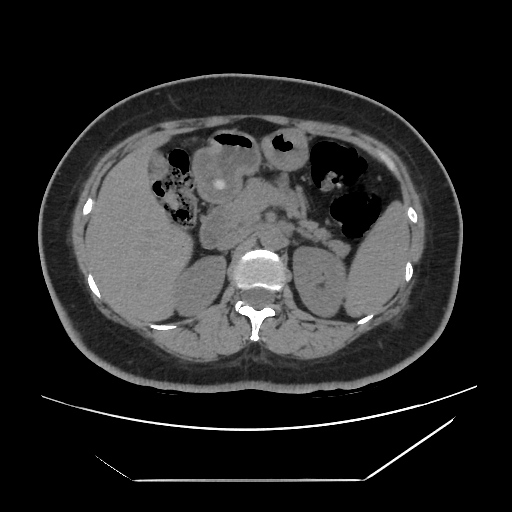

CT abdomen · axial view · W/L 400/40 HU
One row per box, in pixels: columns x1 and y1 give the top-left corner, x2 and y2 the bottom-right.
| organ | x1 | y1 | x2 | y2 |
|---|---|---|---|---|
| spleen | 344 | 201 | 409 | 317 |
| right kidney | 173 | 256 | 226 | 316 |
| left kidney | 293 | 247 | 346 | 316 |
| gall bladder | 149 | 151 | 165 | 178 |
| liver | 85 | 132 | 192 | 321 |
| stomach | 192 | 128 | 308 | 203 |
| aorta | 260 | 228 | 283 | 249 |
| inferior vena cava | 216 | 229 | 249 | 250 |
| pancreas | 224 | 178 | 349 | 256 |
| left adrenal gland | 299 | 231 | 313 | 239 |
| duodenum | 199 | 205 | 229 | 248 |